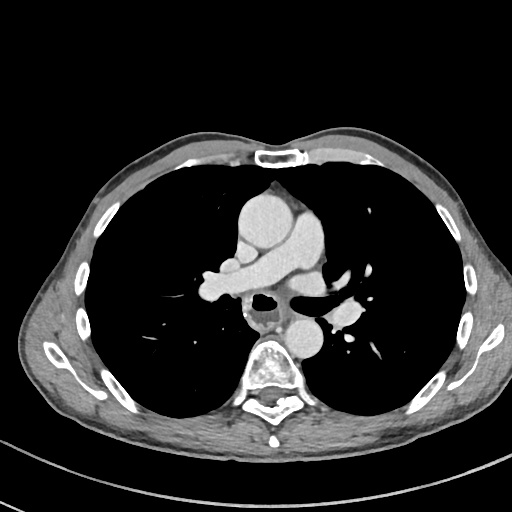

Abdominal CT reaching into the chest; this slice is in the chest — axial plane, index 243 — acquired on SOMATOM Force — 15 organs annotated in this scan (a whole-scan count: organs this slice does not pass through have no box)
At this level of the chest this dataset labels only the esophagus and the aorta, and each is boxed only where it is labeled; the heart and lungs are never labeled.
Each box given as x1,y1,x2,y2.
Organ bounding boxes:
- esophagus: x1=244, y1=292, x2=282, y2=329
- aorta: x1=238, y1=194, x2=292, y2=248
- aorta: x1=284, y1=317, x2=323, y2=358